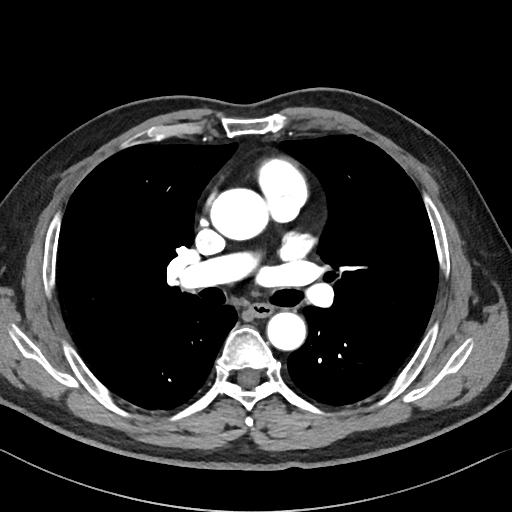 Abdominal CT reaching into the chest; this slice is in the chest. axial view
At this level of the chest this dataset labels only the esophagus and the aorta, and each is boxed only where it is labeled; the heart and lungs are never labeled.
Each box given as x1,y1,x2,y2.
Organ bounding boxes:
- aorta: x1=211, y1=188, x2=269, y2=240
- aorta: x1=267, y1=311, x2=306, y2=350
- esophagus: x1=249, y1=303, x2=272, y2=317